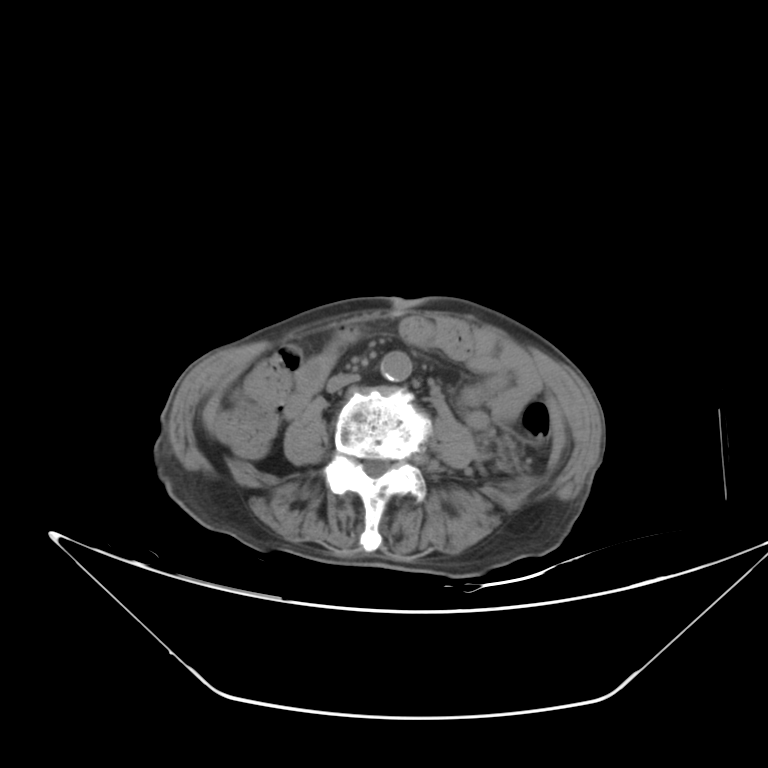
Abdominal CT — axial view — 768x768 px
<organs><organ name="aorta" x1="381" y1="350" x2="412" y2="380"/><organ name="inferior vena cava" x1="326" y1="374" x2="360" y2="393"/></organs>